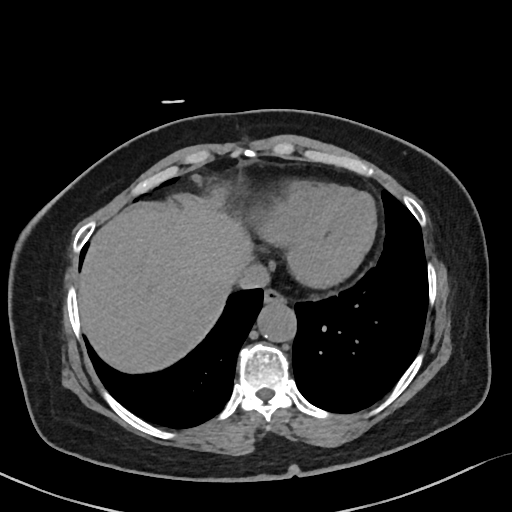
Abdominal CT. axial view. abdomen soft-tissue window
Coordinates as <box>x1,y1,x2,y2</box> in pixels.
liver: <box>78,206,253,372</box>
aorta: <box>257,302,296,341</box>
esophagus: <box>264,289,284,303</box>
inferior vena cava: <box>236,264,270,289</box>